Computed tomography, abdomen. axial view. abdomen soft-tissue window
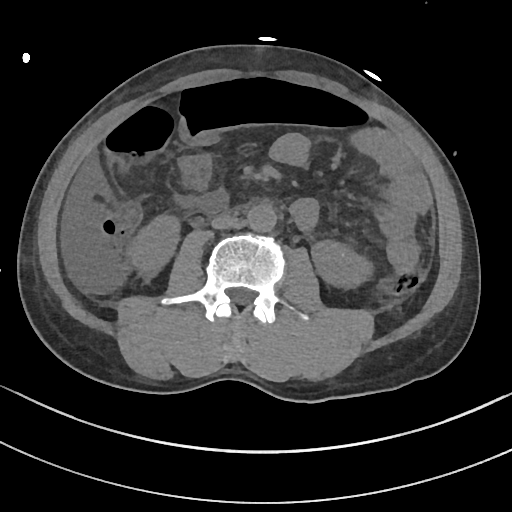

<organs><organ name="right kidney" x1="129" y1="214" x2="179" y2="277"/><organ name="left kidney" x1="311" y1="240" x2="373" y2="287"/><organ name="aorta" x1="247" y1="204" x2="276" y2="232"/><organ name="inferior vena cava" x1="211" y1="214" x2="239" y2="229"/></organs>